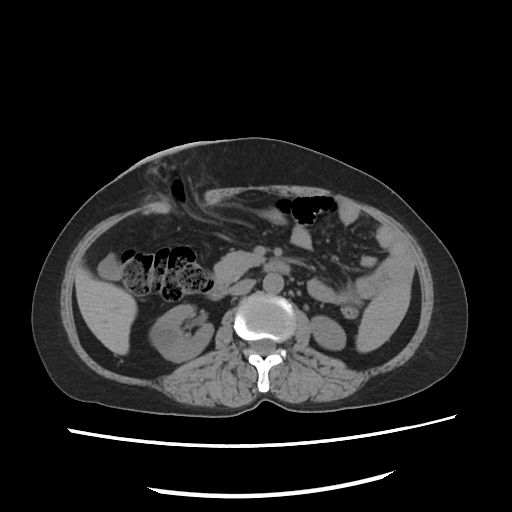

CT, abdomen/pelvis — axial view — Aquilion ONE scanner — 15 organs annotated in this scan (counted over the whole 3D scan, not this slice; an organ is boxed only where this slice passes through it)
{"organs":{"liver":[74,265,137,354],"left kidney":[310,317,345,351],"inferior vena cava":[228,278,254,295],"right kidney":[151,305,214,360],"spleen":[356,281,413,352],"aorta":[262,272,284,295],"pancreas":[215,251,264,281],"duodenum":[207,262,290,298],"gall bladder":[98,256,121,280]}}